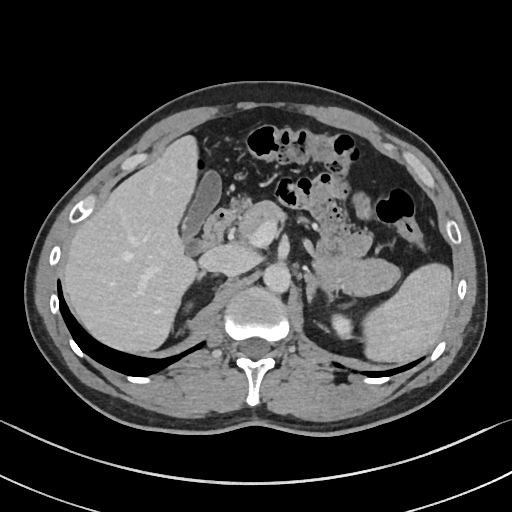 CT, abdomen/pelvis; axial view
Boxes: x1 y1 x2 y2 (pixel coords, space-separated).
liver: 63 135 197 352
duodenum: 199 195 249 250
pancreas: 238 200 399 295
right kidney: 185 302 191 310
right adrenal gland: 197 272 205 280
left adrenal gland: 304 269 336 302
gall bladder: 181 171 221 254
spleen: 362 263 451 362
left kidney: 332 314 351 339
inferior vena cava: 206 246 253 277
aorta: 263 263 290 293